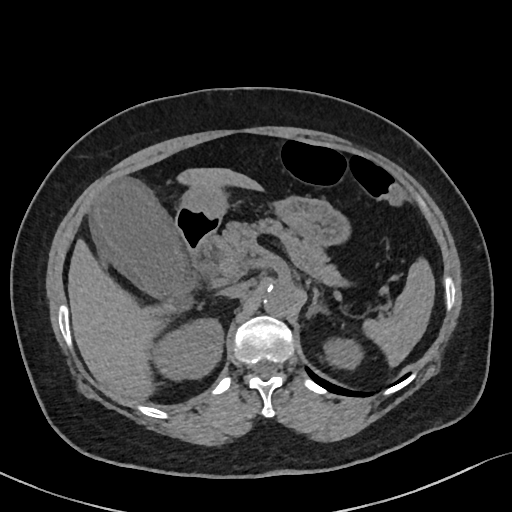

CT, abdomen/pelvis. axial view. soft-tissue window
Boxes: x1:y1:x2:y2 in pixels.
Organ bounding boxes:
- right kidney: 150:319:223:381
- gall bladder: 92:179:186:296
- duodenum: 174:209:217:272
- inferior vena cava: 220:281:249:297
- aorta: 263:279:295:315
- left kidney: 323:339:361:369
- stomach: 179:185:346:244
- liver: 67:168:257:397
- spleen: 361:260:435:366
- left adrenal gland: 306:286:319:315
- pancreas: 204:220:351:287